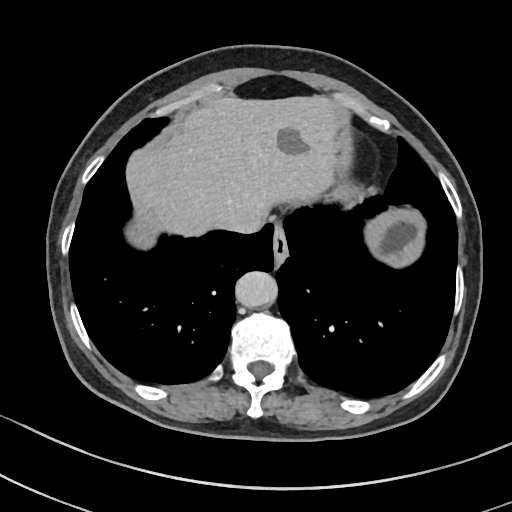
Computed tomography, abdomen; axial view; abdomen soft-tissue window; 512x512 px
<organs><organ name="esophagus" x1="272" y1="221" x2="288" y2="263"/><organ name="inferior vena cava" x1="219" y1="212" x2="264" y2="233"/><organ name="aorta" x1="234" y1="271" x2="275" y2="308"/><organ name="stomach" x1="365" y1="211" x2="425" y2="265"/><organ name="liver" x1="125" y1="95" x2="336" y2="250"/></organs>